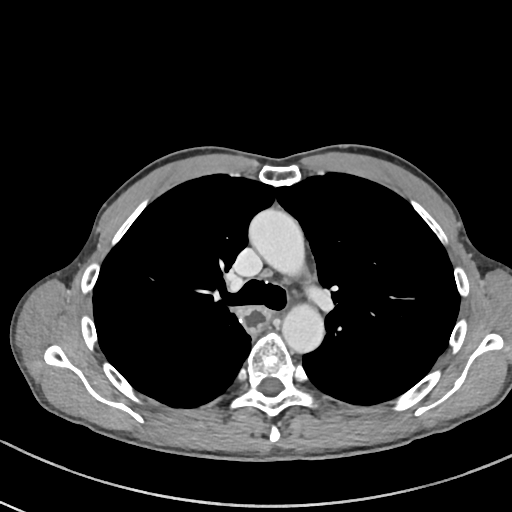 Chest-level CT slice, above the liver and spleen. axial view. acquired on SOMATOM Force. 15 organs annotated in this scan (a whole-scan count: organs this slice does not pass through have no box)
At this level of the chest this dataset labels only the esophagus and the aorta, and each is boxed only where it is labeled; the heart and lungs are never labeled.
<organs><organ name="aorta" x1="249" y1="210" x2="308" y2="283"/><organ name="aorta" x1="282" y1="299" x2="324" y2="351"/><organ name="esophagus" x1="240" y1="306" x2="271" y2="333"/></organs>